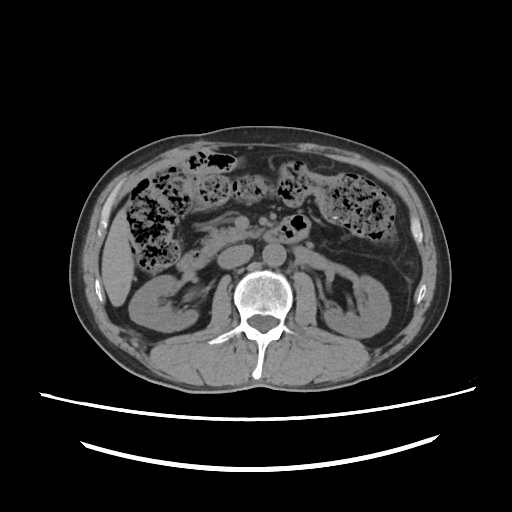
Abdominal CT · axial view · 55-year-old male patient · acquired on Aquilion ONE · 15 organs annotated in this scan (a whole-scan count: organs this slice does not pass through have no box)
Boxes: x1 y1 x2 y2 (pixel coords, space-separated). The annotated organs in this slice are: right kidney at 129 275 197 330, left kidney at 323 275 389 336, liver at 103 208 134 304, aorta at 262 242 284 266, inferior vena cava at 218 244 254 268, pancreas at 200 226 264 254, duodenum at 175 216 309 273.